Abdominal CT; this slice is in the lower chest, just above the liver · Axial slice 75/120 · 512x512 px · 81-year-old male patient · 15 organs annotated in this scan (that count is for the whole scan; organs this slice misses have no box)
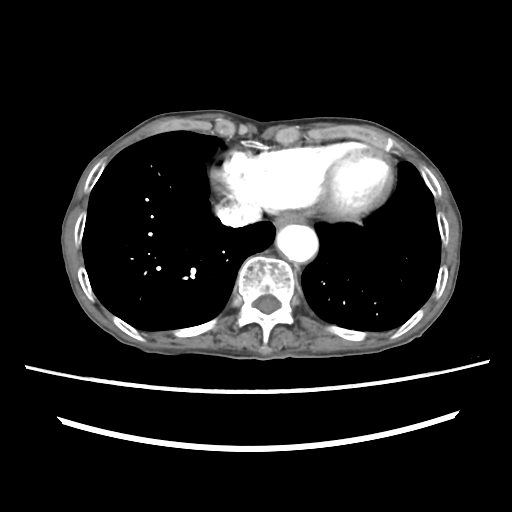 No part of the heart or lungs is labeled in this dataset, so neither has a box here.
{"organs":{"esophagus":[275,212,302,226],"aorta":[276,224,318,262],"inferior vena cava":[216,203,261,227]}}